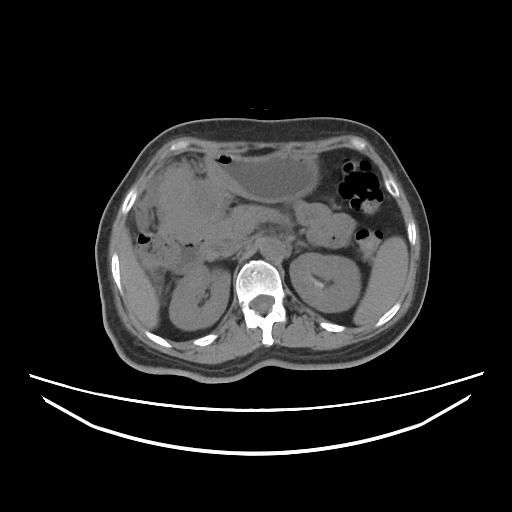

CT abdomen — axial plane, index 71 — soft-tissue window
<organs><organ name="inferior vena cava" x1="220" y1="243" x2="242" y2="257"/><organ name="pancreas" x1="210" y1="205" x2="283" y2="241"/><organ name="left kidney" x1="290" y1="253" x2="360" y2="312"/><organ name="aorta" x1="258" y1="237" x2="284" y2="261"/><organ name="left adrenal gland" x1="297" y1="241" x2="307" y2="247"/><organ name="right kidney" x1="169" y1="265" x2="230" y2="329"/><organ name="liver" x1="119" y1="229" x2="159" y2="329"/><organ name="spleen" x1="353" y1="236" x2="408" y2="325"/><organ name="duodenum" x1="170" y1="236" x2="214" y2="273"/><organ name="stomach" x1="159" y1="151" x2="319" y2="239"/></organs>